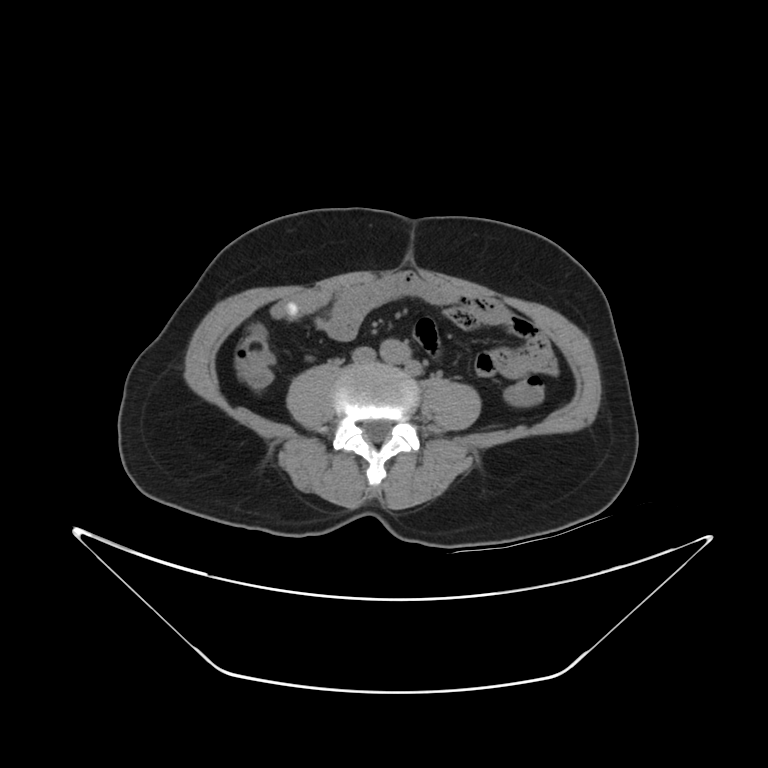 Abdominal CT — Axial slice 41/91 — abdomen soft-tissue window — 768x768 px
<organs><organ name="aorta" x1="379" y1="338" x2="408" y2="367"/><organ name="inferior vena cava" x1="355" y1="348" x2="372" y2="365"/></organs>